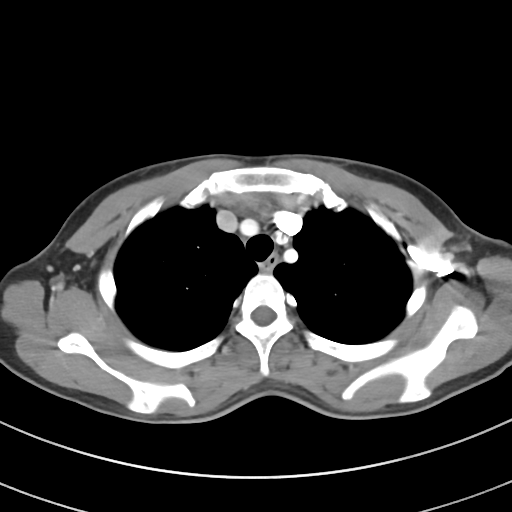 CT of the abdomen extending into the chest, slice through the chest; Axial slice 110/121; soft-tissue window, W/L 400/40
At this level of the chest this dataset labels only the esophagus and the aorta, and each is boxed only where it is labeled; the heart and lungs are never labeled.
Coordinates as <box>x1,y1,x2,y2</box> in pixels.
esophagus: <box>262,254,278,270</box>